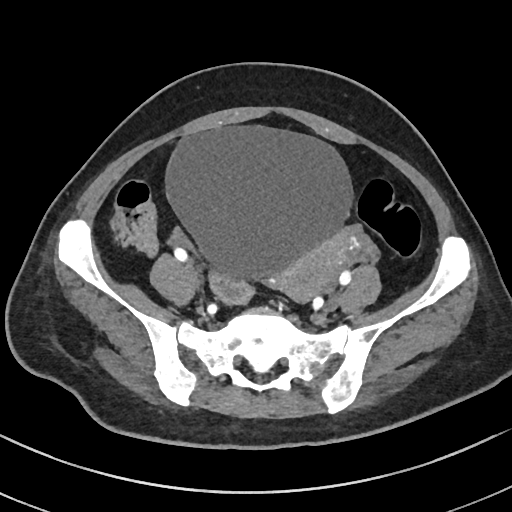 Abdominal CT — axial plane, index 63 — abdomen soft-tissue window
Organ boxes in pixel coordinates; each row gives the top-left (x1, y1) and bottom-right (x2, y2) corners.
| organ | x1 | y1 | x2 | y2 |
|---|---|---|---|---|
| bladder | 163 | 123 | 353 | 281 |
| prostate/uterus | 284 | 235 | 345 | 305 |